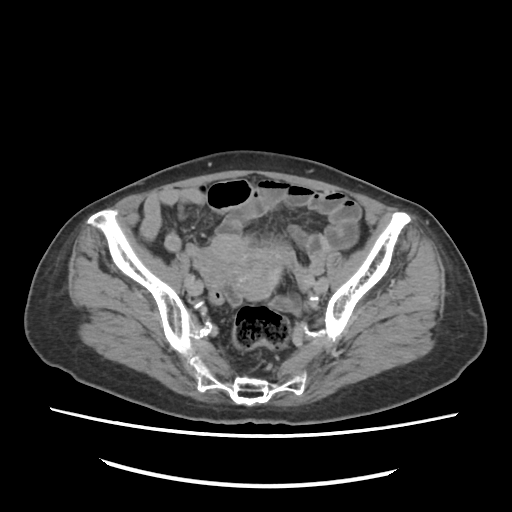
Computed tomography, abdomen — axial view — W/L 400/40 HU — 76-year-old female patient — Aquilion ONE scanner
Bounding boxes in pixels, one row per box: x1, y1 is the top-left corner and x2, y2 the bottom-right.
| organ | x1 | y1 | x2 | y2 |
|---|---|---|---|---|
| prostate/uterus | 206 | 233 | 286 | 299 |